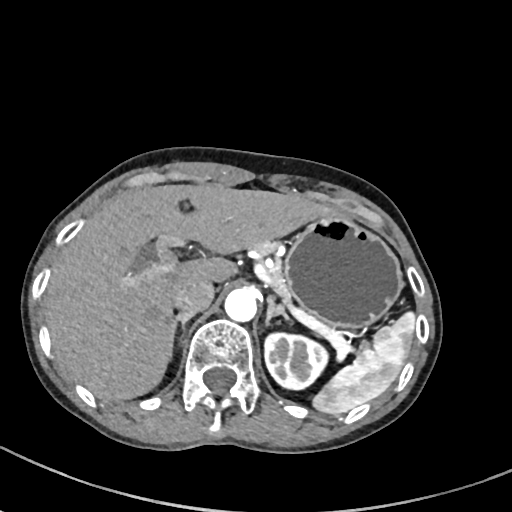
CT abdomen. axial view. W/L 400/40 HU
Boxes are (x1, y1, x2, y2) in pixels. The annotated organs in this slice are: aorta at (224, 288, 257, 321), pancreas at (252, 240, 291, 301), left kidney at (264, 333, 327, 389), stomach at (283, 214, 403, 330), right adrenal gland at (173, 315, 190, 342), inferior vena cava at (172, 279, 214, 317), liver at (46, 183, 338, 402), left adrenal gland at (265, 297, 291, 325), spleen at (312, 312, 414, 414).